CT, abdomen/pelvis; axial view; W/L 400/40 HU; 48-year-old female patient; scan has 15 labeled organs (a whole-scan count: organs this slice does not pass through have no box)
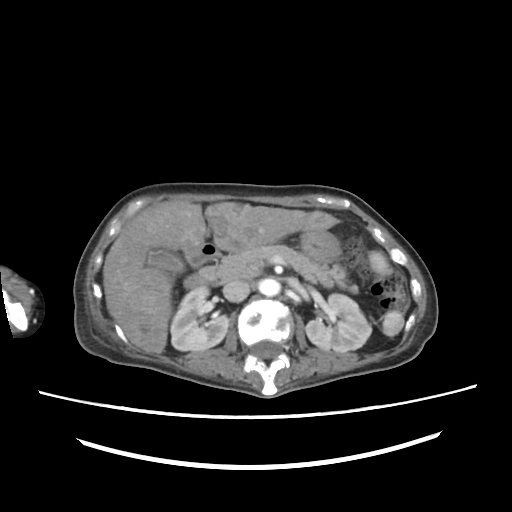
Organ boxes in pixel coordinates; each row gives the top-left (x1, y1) and bottom-right (x2, y2) corners.
| organ | x1 | y1 | x2 | y2 |
|---|---|---|---|---|
| stomach | 300 | 229 | 341 | 263 |
| gall bladder | 146 | 249 | 180 | 270 |
| aorta | 258 | 278 | 280 | 296 |
| left kidney | 305 | 294 | 371 | 352 |
| liver | 103 | 201 | 339 | 353 |
| pancreas | 199 | 245 | 356 | 291 |
| right kidney | 170 | 287 | 228 | 351 |
| spleen | 369 | 251 | 404 | 336 |
| duodenum | 183 | 244 | 219 | 289 |
| inferior vena cava | 222 | 280 | 250 | 302 |